CT abdomen. Axial slice 61/99. 768x768 px. 66-year-old male patient. Brilliance16 scanner. scan has 15 labeled organs (a whole-scan count: organs this slice does not pass through have no box)
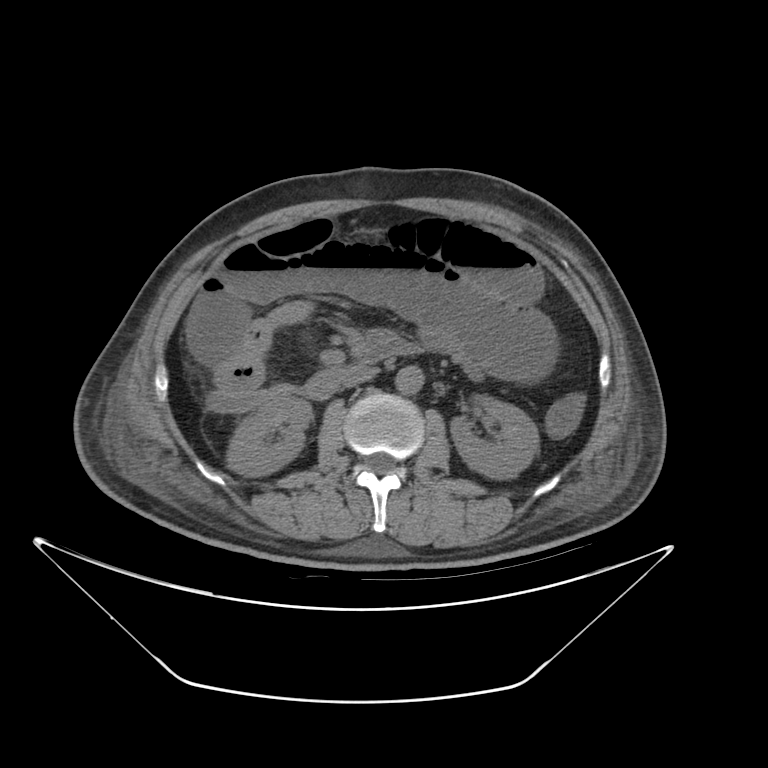

Bounding boxes in pixels, one row per box: x1, y1 is the top-left corner and x2, y2 the bottom-right.
| organ | x1 | y1 | x2 | y2 |
|---|---|---|---|---|
| right kidney | 226 | 398 | 310 | 477 |
| left kidney | 451 | 396 | 535 | 478 |
| aorta | 394 | 365 | 425 | 395 |
| inferior vena cava | 345 | 366 | 380 | 389 |
| duodenum | 303 | 325 | 417 | 399 |